Abdominal CT. Axial slice 74/128. 512x512 px. acquired on Aquilion ONE
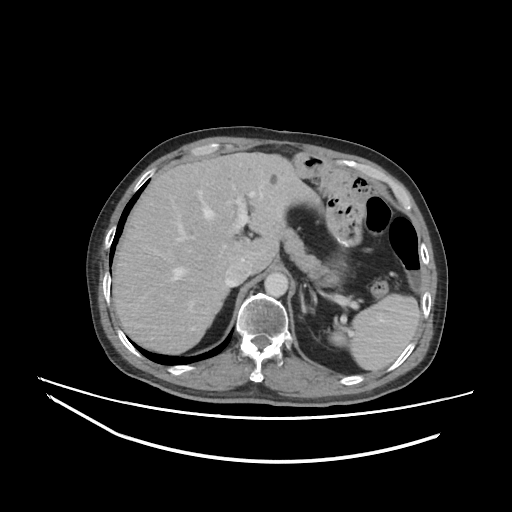
<organs><organ name="liver" x1="112" y1="152" x2="321" y2="354"/><organ name="spleen" x1="329" y1="294" x2="420" y2="371"/><organ name="pancreas" x1="281" y1="227" x2="340" y2="286"/><organ name="aorta" x1="264" y1="272" x2="288" y2="297"/><organ name="inferior vena cava" x1="225" y1="259" x2="251" y2="286"/><organ name="left adrenal gland" x1="300" y1="292" x2="314" y2="313"/></organs>